CT abdomen — axial plane, index 83 — 512x512 px — 48-year-old female patient
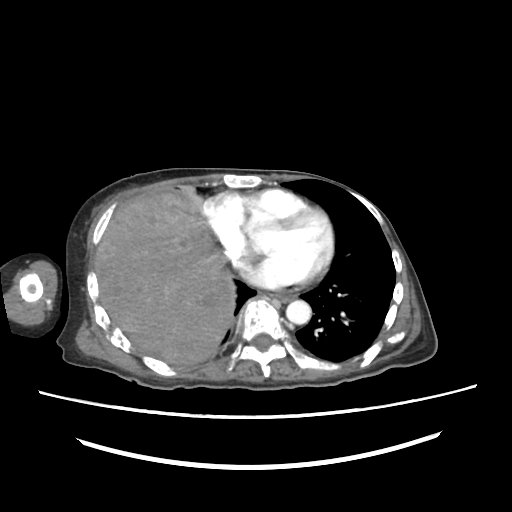 {"organs":{"esophagus":[276,293,295,301],"liver":[95,190,235,364],"aorta":[286,300,311,324]}}